CT abdomen · axial view · soft-tissue window (W 400 / L 40) · 512x512 px · 31-year-old female patient · 15 organs annotated in this scan (counted over the whole 3D scan, not this slice; an organ is boxed only where this slice passes through it)
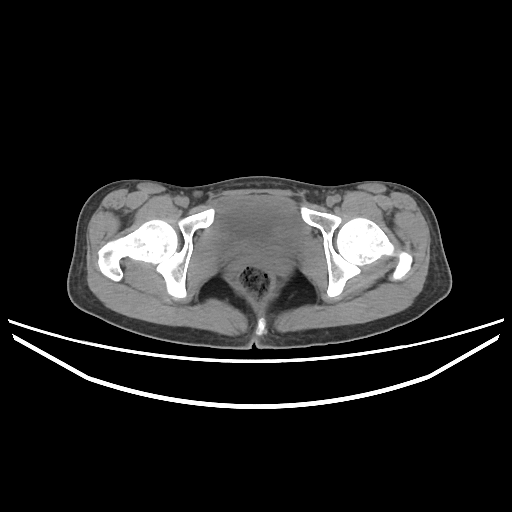 {"organs":{"bladder":[214,196,305,259]}}